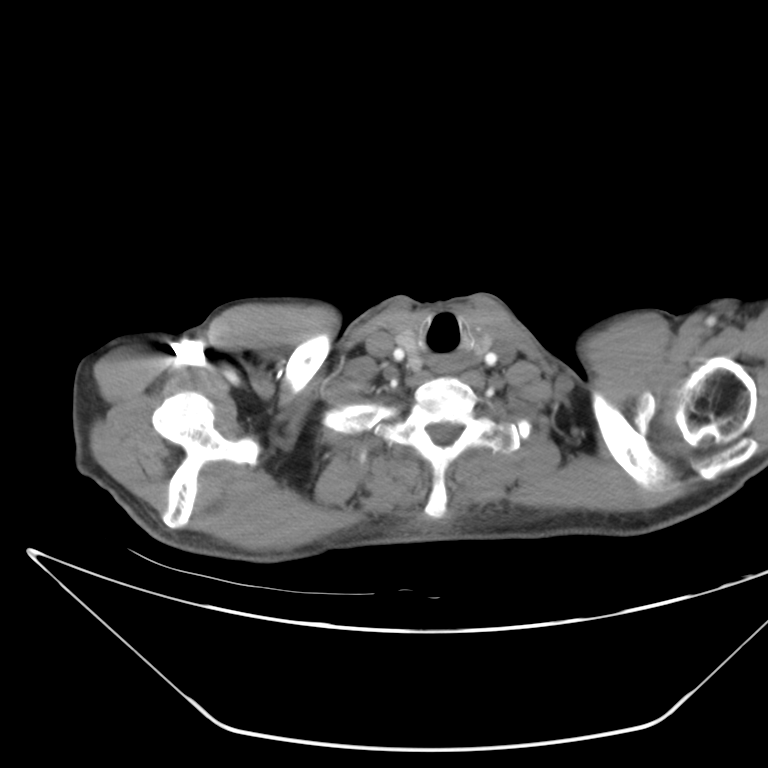 Chest-level CT slice, above the liver and spleen — axial view — soft-tissue window, W/L 400/40 — scan has 13 labeled organs (counted over the whole 3D scan, not this slice; an organ is boxed only where this slice passes through it)
On a slice this high in the chest, this dataset labels only the esophagus and the aorta, and each is boxed only where it is labeled; the heart, lungs and other chest structures are not labeled.
<organs><organ name="esophagus" x1="427" y1="352" x2="468" y2="373"/></organs>